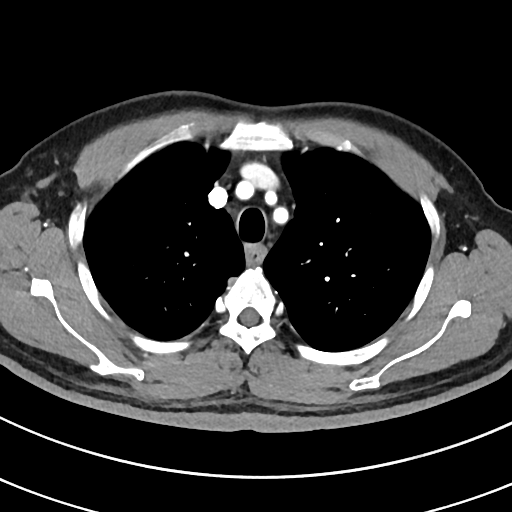

Chest-level slice from an abdominal CT that extends up into the chest — Axial slice 269/302
At this level of the chest no structure but the esophagus and the aorta has a label in this dataset, and those two are boxed only where they are labeled.
{"organs":{"esophagus":[247,246,265,262]}}